Magnetic resonance imaging, abdomen — coronal view — 260x320 px
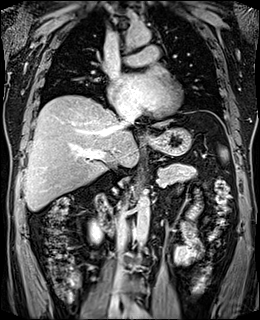

{"organs":{"spleen":[220,149,227,158],"right kidney":[89,221,102,243],"esophagus":[145,135,148,136],"liver":[24,95,170,211],"stomach":[144,127,192,155],"aorta":[[135,193,150,247],[125,24,150,47]],"inferior vena cava":[[114,196,130,282],[116,103,136,126]],"pancreas":[158,163,197,184],"duodenum":[95,194,114,234]}}